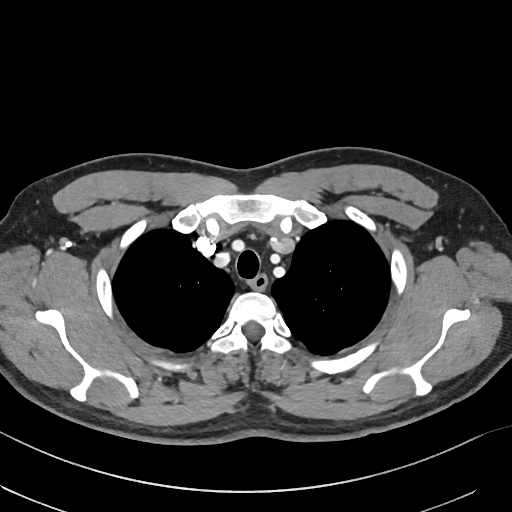

Chest-level CT slice, above the liver and spleen — axial view — soft-tissue window (W 400 / L 40)
At this level of the chest this dataset labels only the esophagus and the aorta, and each is boxed only where it is labeled; the heart and lungs are never labeled.
Boxes: x1 y1 x2 y2 (pixel coords, space-separated).
esophagus: 249 275 267 290